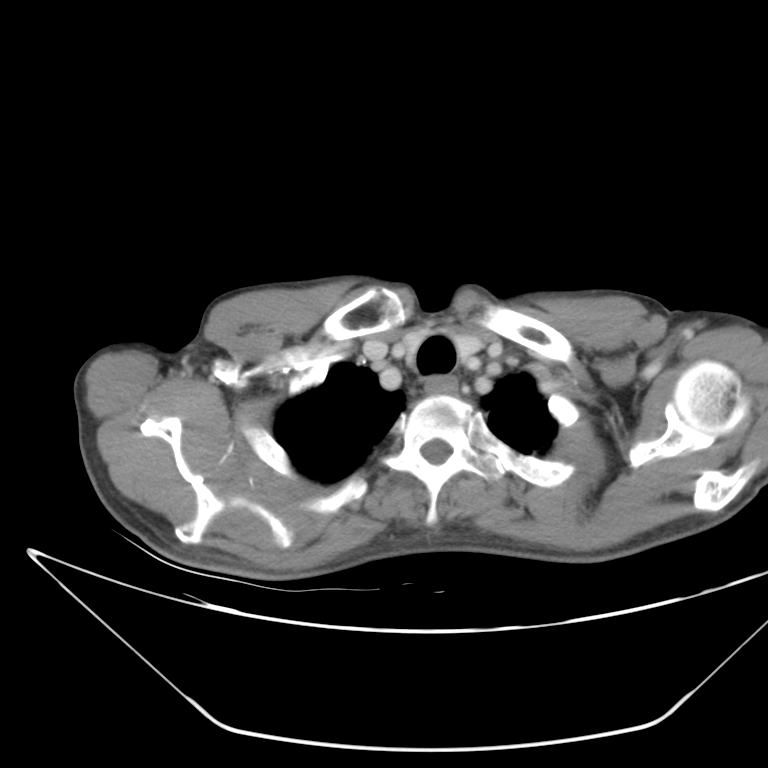

Chest-level slice from an abdominal CT that extends up into the chest; axial plane, index 97; 768x768 px; 62-year-old male patient; 13 organs annotated in this scan (that count is for the whole scan; organs this slice misses have no box)
On a slice this high in the chest, this dataset labels only the esophagus and the aorta, and each is boxed only where it is labeled; the heart, lungs and other chest structures are not labeled.
Bounding boxes in pixels, one row per box: x1, y1 is the top-left corner and x2, y2 the bottom-right.
| organ | x1 | y1 | x2 | y2 |
|---|---|---|---|---|
| esophagus | 425 | 375 | 459 | 393 |